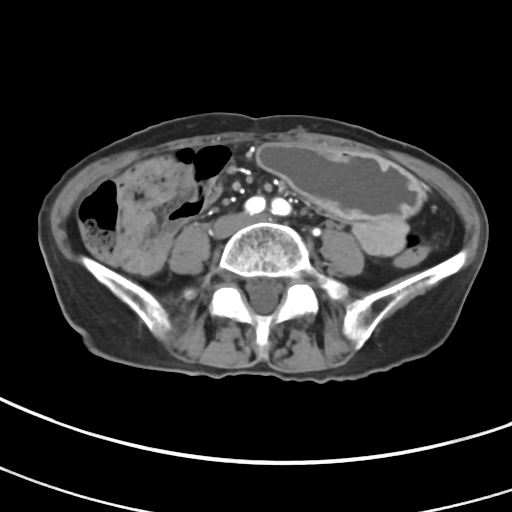

CT abdomen · axial view · abdomen soft-tissue window
Each box given as x1,y1,x2,y2.
stomach: x1=258, y1=144, x2=422, y2=221